CT abdomen · axial plane, index 144 · soft-tissue window · SOMATOM Force scanner · 15 organs annotated in this scan (counted over the whole 3D scan, not this slice; an organ is boxed only where this slice passes through it)
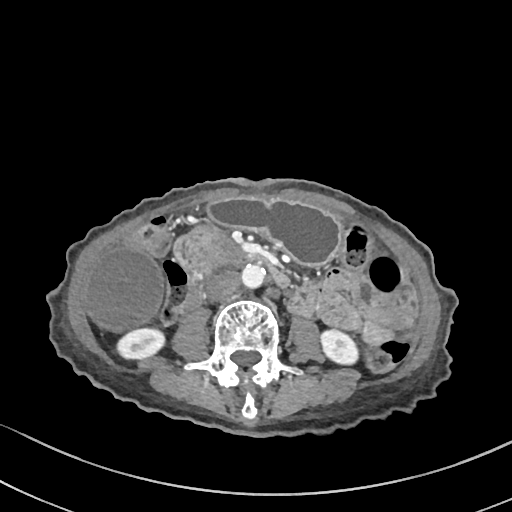

Each box given as x1,y1,x2,y2.
stomach: x1=206, y1=198, x2=341, y2=264
left kidney: x1=321, y1=330, x2=358, y2=364
duodenum: x1=176, y1=226, x2=287, y2=284
right kidney: x1=117, y1=328, x2=164, y2=358
gall bladder: x1=84, y1=249, x2=165, y2=329
pancreas: x1=186, y1=233, x2=245, y2=276
aorta: x1=241, y1=264, x2=265, y2=288
inferior vena cava: x1=206, y1=271, x2=239, y2=300